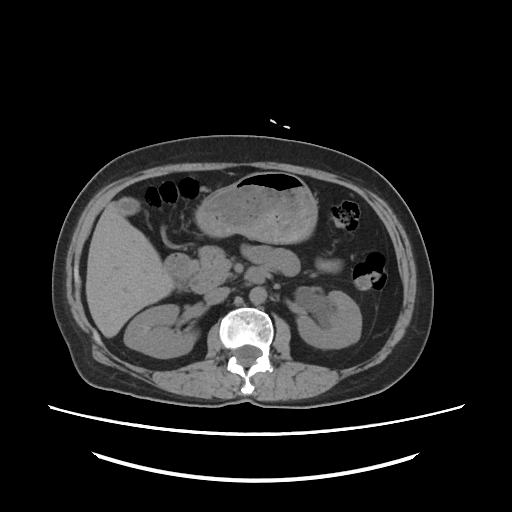

CT, abdomen/pelvis · axial view · soft-tissue window · 512x512 px
Boxes: x1:y1:x2:y2 in pixels.
Organ bounding boxes:
- right kidney: 124:304:198:358
- left kidney: 297:292:360:348
- gall bladder: 115:197:141:216
- liver: 85:201:175:337
- stomach: 195:171:317:244
- aorta: 249:286:266:305
- inferior vena cava: 204:286:228:303
- pancreas: 190:245:227:291
- duodenum: 166:252:264:291